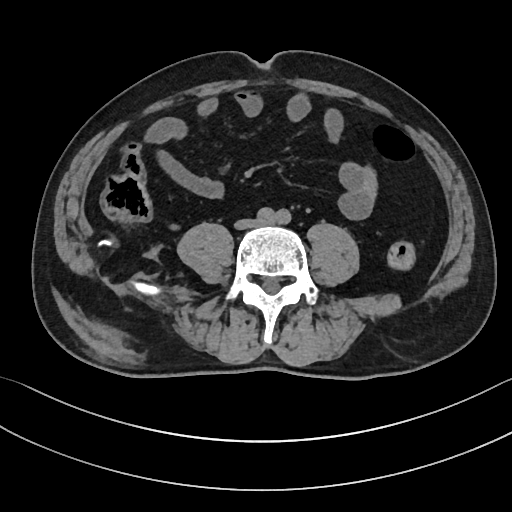 Abdominal CT. axial view. W/L 400/40 HU
<organs><organ name="inferior vena cava" x1="236" y1="219" x2="260" y2="228"/></organs>